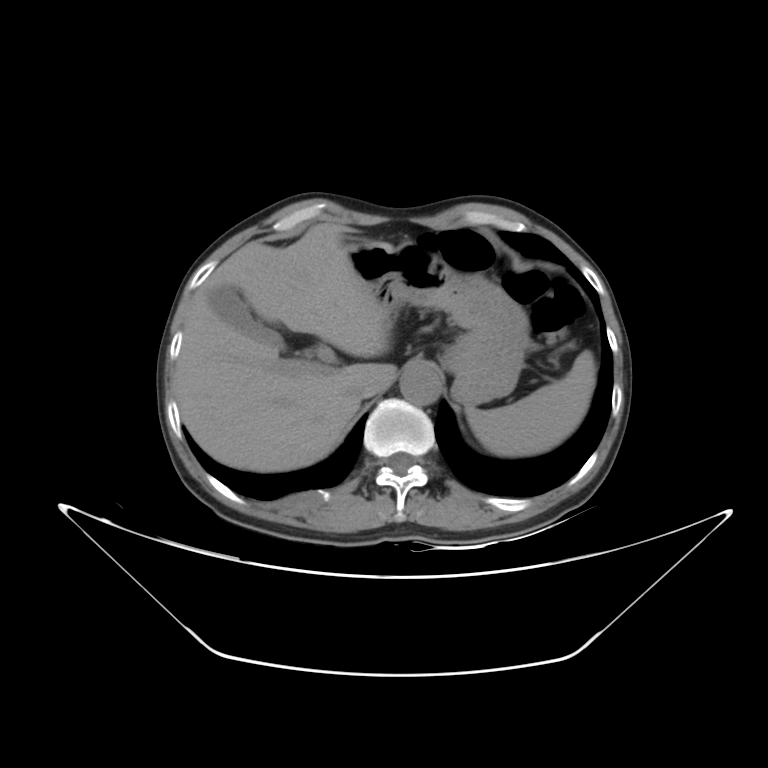
CT, abdomen/pelvis; axial view; W/L 400/40 HU; 768x768 px
{"organs":{"aorta":[400,364,441,405],"liver":[174,223,396,472],"stomach":[347,239,529,406],"spleen":[466,350,596,456],"gall bladder":[208,285,281,345],"inferior vena cava":[346,382,363,400]}}